Computed tomography, abdomen — Axial slice 161/333 — soft-tissue window
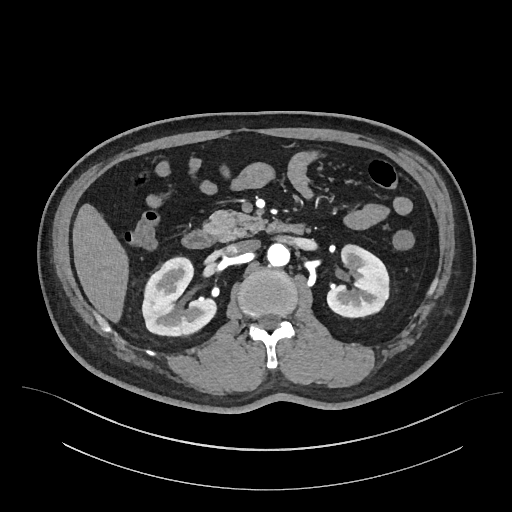
Coordinates as <box>x1,y1,x2,y2</box> in pixels. The annotated organs in this slice are: right kidney at <box>142,258,216,336</box>, left kidney at <box>327,244,389,317</box>, liver at <box>72,203,129,323</box>, aorta at <box>266,243,289,267</box>, inferior vena cava at <box>226,240,257,254</box>, pancreas at <box>201,209,264,241</box>, duodenum at <box>181,220,306,248</box>.